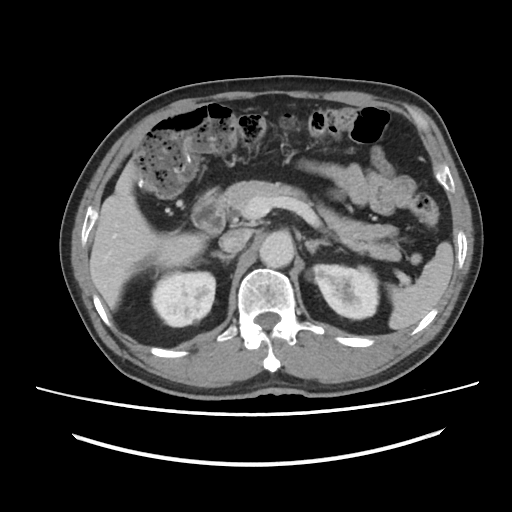

Abdominal CT · axial view · abdomen soft-tissue window
<organs><organ name="spleen" x1="387" y1="241" x2="453" y2="330"/><organ name="right kidney" x1="151" y1="271" x2="215" y2="326"/><organ name="left kidney" x1="311" y1="264" x2="378" y2="318"/><organ name="liver" x1="89" y1="160" x2="206" y2="309"/><organ name="aorta" x1="259" y1="232" x2="294" y2="268"/><organ name="inferior vena cava" x1="219" y1="229" x2="251" y2="253"/><organ name="pancreas" x1="223" y1="180" x2="401" y2="261"/><organ name="right adrenal gland" x1="211" y1="251" x2="234" y2="262"/><organ name="left adrenal gland" x1="305" y1="238" x2="331" y2="253"/><organ name="duodenum" x1="191" y1="188" x2="225" y2="235"/></organs>